Computed tomography, abdomen. axial view. soft-tissue window. acquired on Brilliance16
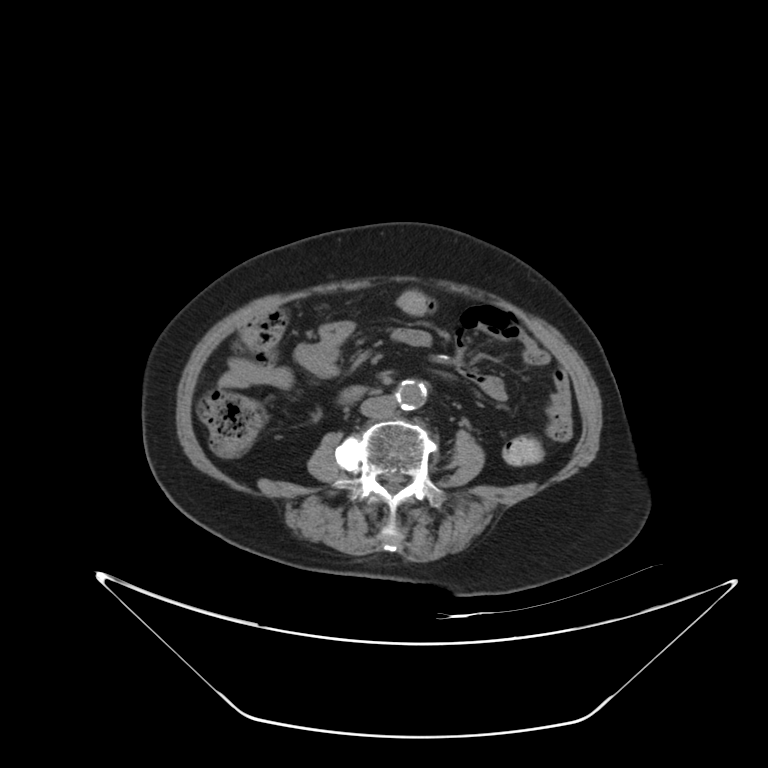

Bounding boxes as [x1, y1, x2, y2] in pixel coordinates.
Organ bounding boxes:
- duodenum: [341, 388, 363, 402]
- inferior vena cava: [360, 395, 396, 418]
- aorta: [395, 379, 426, 409]